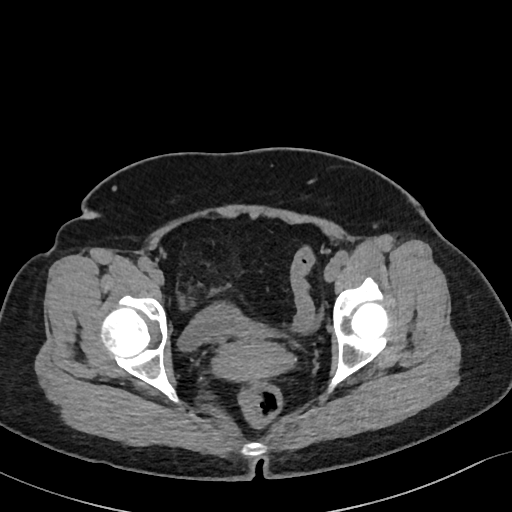
Computed tomography, abdomen · axial view · abdomen soft-tissue window
<organs><organ name="bladder" x1="178" y1="303" x2="273" y2="350"/><organ name="prostate/uterus" x1="213" y1="339" x2="291" y2="379"/></organs>